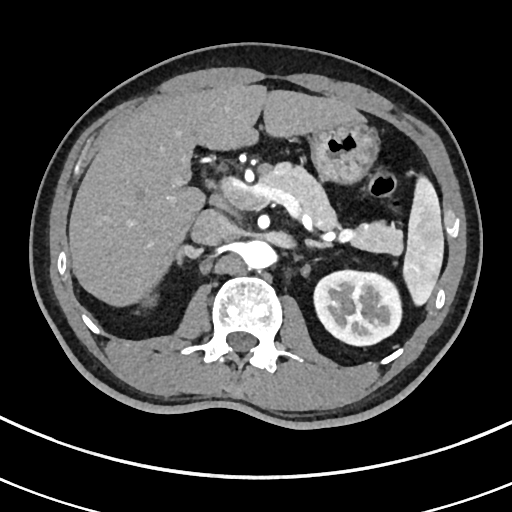 Computed tomography, abdomen — axial plane, index 146 — W/L 400/40 HU
{"organs":{"aorta":[241,240,274,269],"left kidney":[314,270,401,345],"stomach":[310,124,377,183],"spleen":[403,176,443,305],"left adrenal gland":[305,238,331,247],"right kidney":[142,294,157,308],"inferior vena cava":[191,210,234,245],"right adrenal gland":[175,244,201,264],"pancreas":[260,162,402,255],"liver":[69,84,365,306]}}